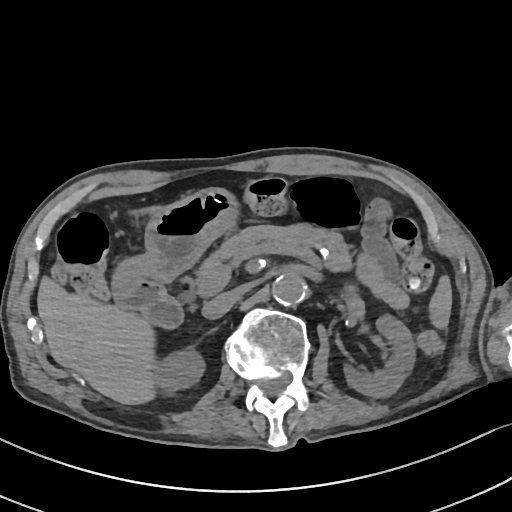

Computed tomography, abdomen · axial plane, index 139 · 512x512 px · 15 organs annotated in this scan (a whole-scan count: organs this slice does not pass through have no box)
Boxes are (x1, y1, x2, y2) in pixels.
aorta: (272, 271, 307, 305)
stomach: (115, 188, 239, 288)
pancreas: (200, 224, 351, 271)
inferior vena cava: (202, 291, 238, 319)
right kidney: (154, 347, 204, 396)
liver: (37, 206, 161, 404)
left kidney: (344, 315, 415, 397)
duodenum: (115, 279, 183, 328)
spleen: (430, 277, 450, 327)